Chest-level CT slice, above the liver and spleen. axial plane, index 88. acquired on Aquilion ONE
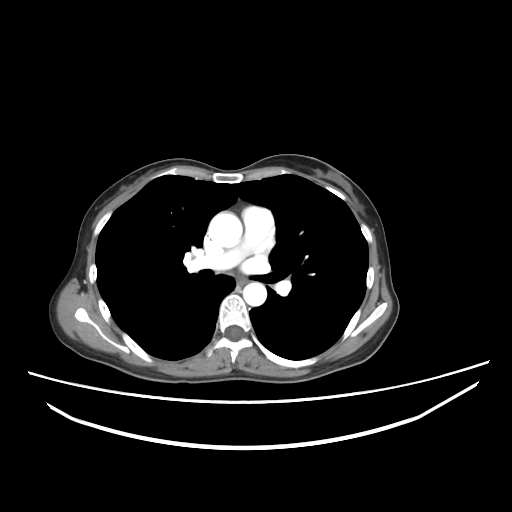

At this level of the chest no structure but the esophagus and the aorta has a label in this dataset, and those two are boxed only where they are labeled.
Bounding boxes as [x1, y1, x2, y2] in pixel coordinates.
esophagus: [238, 277, 246, 284]
aorta: [208, 212, 242, 247]
aorta: [242, 282, 266, 306]